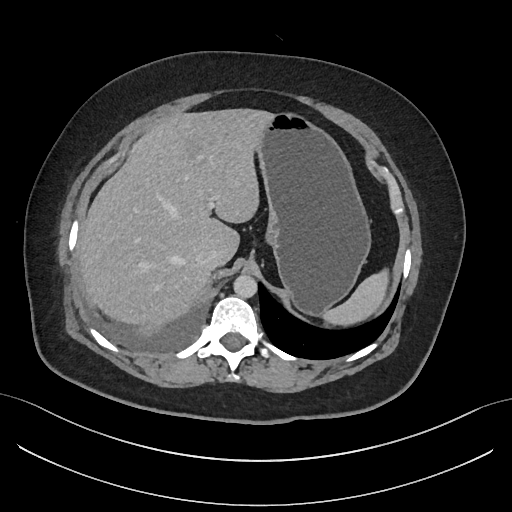 Computed tomography, abdomen — axial view — 512x512 px
<organs><organ name="liver" x1="77" y1="108" x2="271" y2="328"/><organ name="spleen" x1="323" y1="269" x2="388" y2="326"/><organ name="inferior vena cava" x1="195" y1="248" x2="220" y2="271"/><organ name="aorta" x1="233" y1="275" x2="257" y2="298"/><organ name="stomach" x1="255" y1="112" x2="371" y2="315"/></organs>